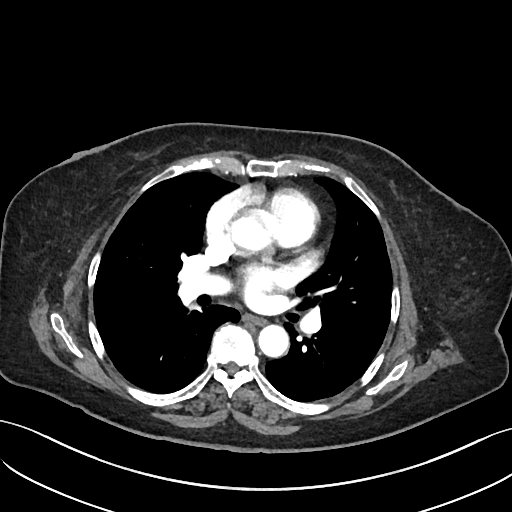 Abdominal CT reaching into the chest; this slice is in the chest; axial view; soft-tissue window
On a slice this high in the chest, this dataset labels only the esophagus and the aorta, and each is boxed only where it is labeled; the heart, lungs and other chest structures are not labeled.
Boxes: x1:y1:x2:y2 in pixels.
esophagus: 243:315:265:324
aorta: 258:324:288:356